Chest-level slice from an abdominal CT that extends up into the chest. axial view. W/L 400/40 HU. 512x512 px. 15 organs annotated in this scan (a whole-scan count: organs this slice does not pass through have no box)
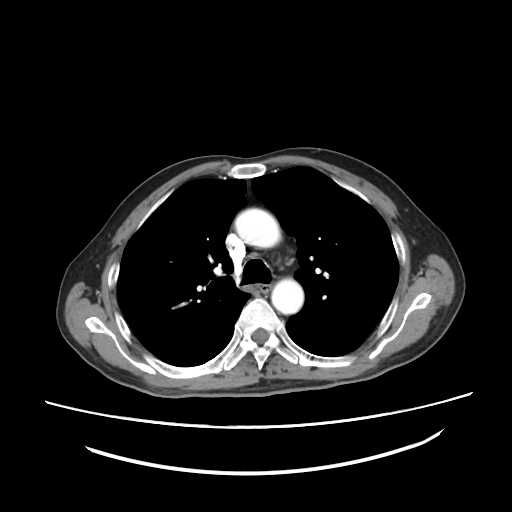
On a slice this high in the chest, this dataset labels only the esophagus and the aorta, and each is boxed only where it is labeled; the heart, lungs and other chest structures are not labeled.
Coordinates as <box>x1,y1,x2,y2</box> in pixels.
esophagus: <box>256,284,271,293</box>
aorta: <box>235,208,280,247</box>
aorta: <box>271,278,303,314</box>